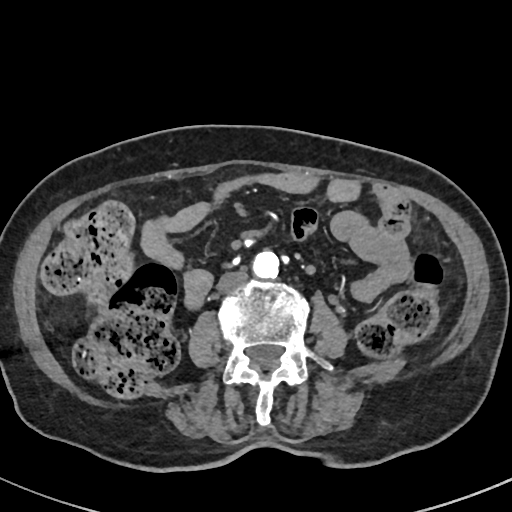

Computed tomography, abdomen. axial plane, index 105. 512x512 px. scan has 15 labeled organs (counted over the whole 3D scan, not this slice; an organ is boxed only where this slice passes through it)
{"organs":{"aorta":[252,250,279,279],"inferior vena cava":[217,269,248,293]}}